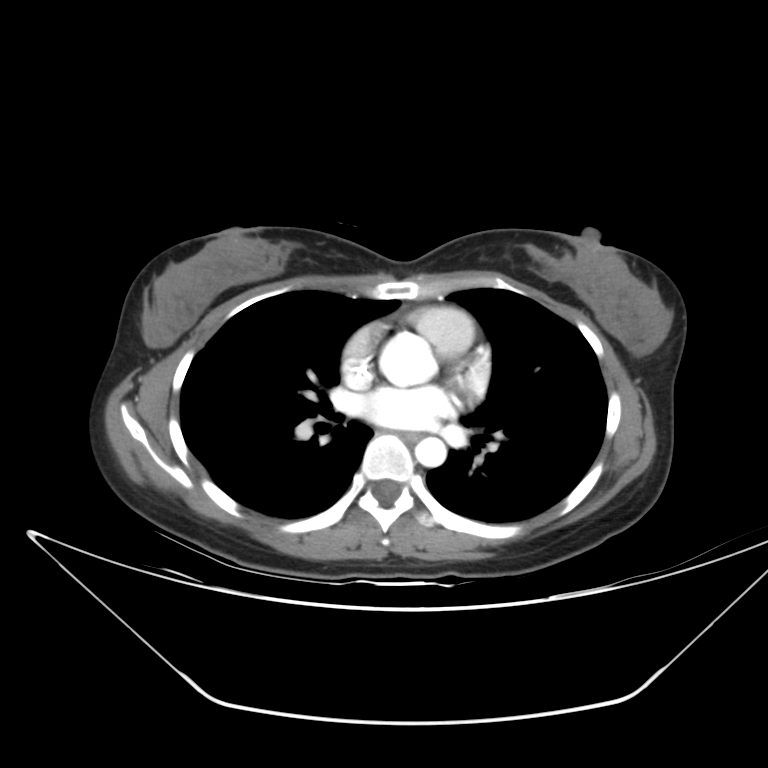 Abdominal CT reaching into the chest; this slice is in the chest; axial view; soft-tissue window, W/L 400/40; 768x768 px
At this level of the chest no structure but the esophagus and the aorta has a label in this dataset, and those two are boxed only where they are labeled.
Each box given as x1,y1,x2,y2.
Organ bounding boxes:
- esophagus: x1=403, y1=432, x2=423, y2=440
- aorta: x1=377, y1=328, x2=439, y2=385
- aorta: x1=415, y1=437, x2=446, y2=467